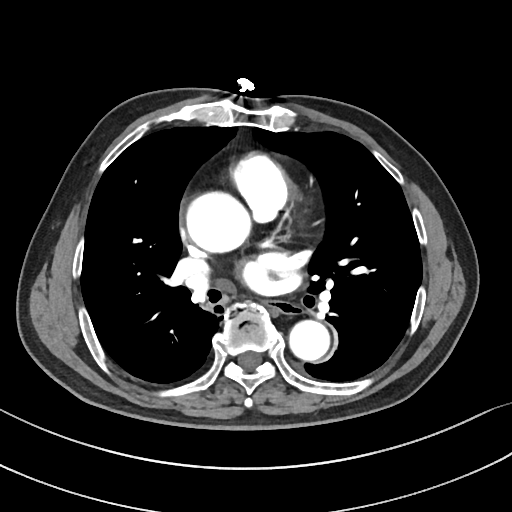 Chest-level slice from an abdominal CT that extends up into the chest; axial view; W/L 400/40 HU; 512x512 px
At this level of the chest no structure but the esophagus and the aorta has a label in this dataset, and those two are boxed only where they are labeled.
<organs><organ name="aorta" x1="185" y1="191" x2="249" y2="253"/><organ name="aorta" x1="289" y1="319" x2="329" y2="361"/><organ name="esophagus" x1="265" y1="300" x2="295" y2="313"/></organs>